CT of the abdomen reaching into the lower chest, slice just above the liver and spleen · axial plane, index 75 · W/L 400/40 HU · 512x512 px · acquired on Aquilion ONE · 15 organs annotated in this scan (counted over the whole 3D scan, not this slice; an organ is boxed only where this slice passes through it)
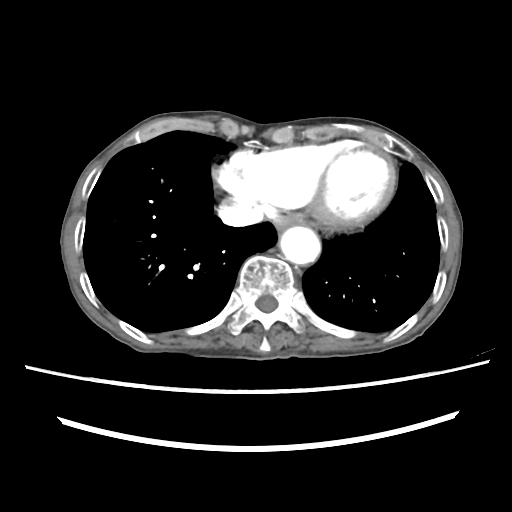

The heart and lungs are never labeled in this dataset, so they have no box on this slice.
Boxes: x1 y1 x2 y2 (pixel coords, space-separated).
esophagus: 275 215 301 230
aorta: 280 226 320 264
inferior vena cava: 218 203 263 226